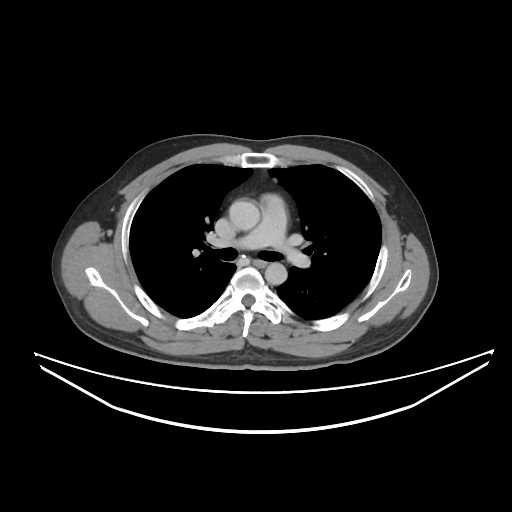 Chest-level slice from an abdominal CT that extends up into the chest. axial plane, index 107. 512x512 px. 40-year-old male patient. Aquilion ONE scanner
On a slice this high in the chest, this dataset labels only the esophagus and the aorta, and each is boxed only where it is labeled; the heart, lungs and other chest structures are not labeled.
Boxes: x1 y1 x2 y2 (pixel coords, space-separated).
Organ bounding boxes:
- aorta: 229 199 259 230
- aorta: 264 262 287 284
- esophagus: 254 259 266 266